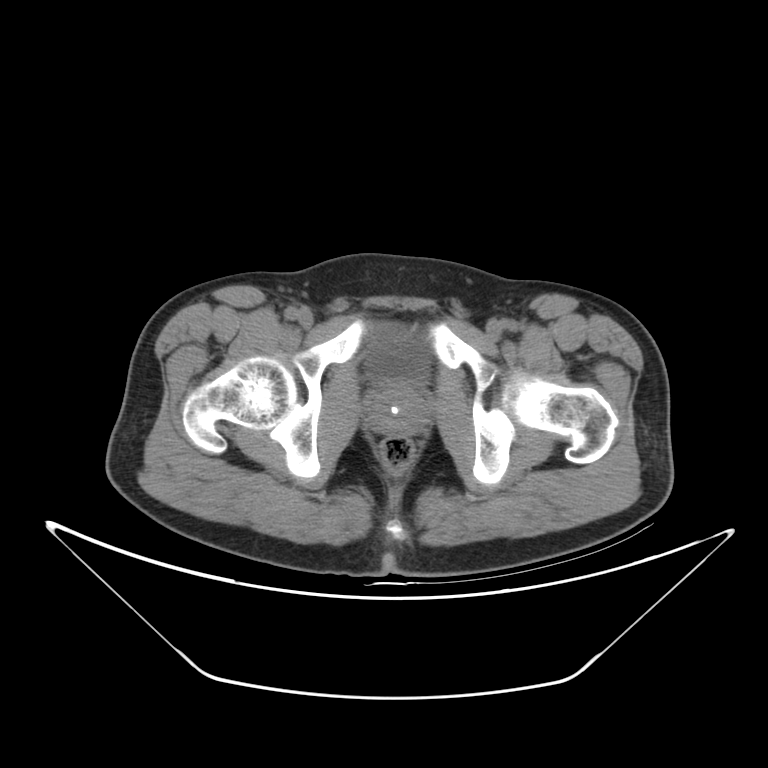

Computed tomography, abdomen · axial view · 768x768 px
Boxes are (x1, y1, x2, y2) in pixels.
prostate/uterus: (369, 383, 428, 434)
bladder: (367, 325, 429, 382)